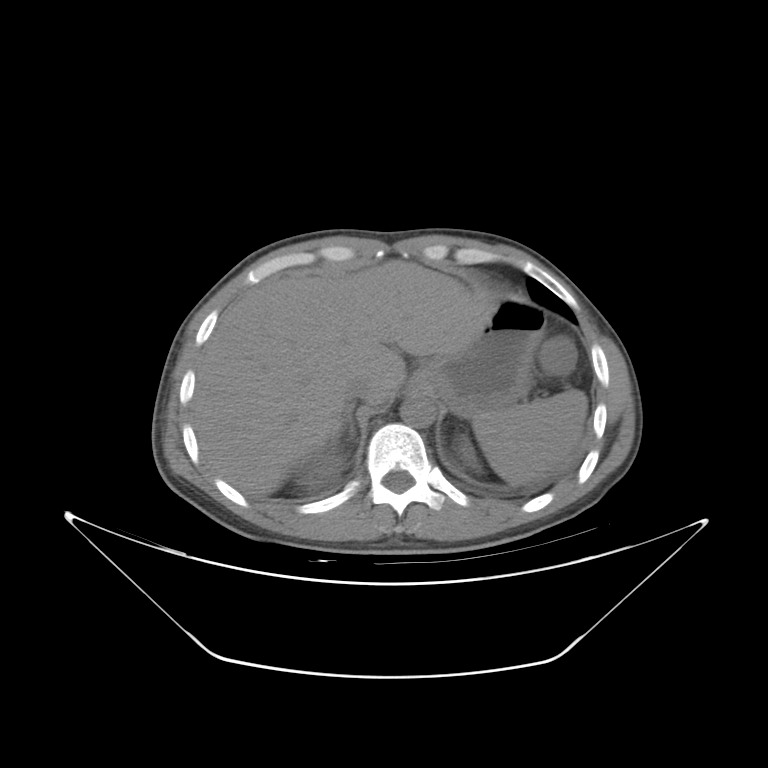
CT, abdomen/pelvis; axial plane, index 75; abdomen soft-tissue window; scan has 15 labeled organs (counted over the whole 3D scan, not this slice; an organ is boxed only where this slice passes through it)
Boxes: x1 y1 x2 y2 (pixel coords, space-separated).
spleen: 472 389 587 485
right kidney: 297 443 343 486
left kidney: 457 439 479 468
liver: 195 260 494 497
stomach: 409 300 545 418
aorta: 400 396 436 427
inferior vena cava: 345 380 371 404
right adrenal gland: 330 404 355 441